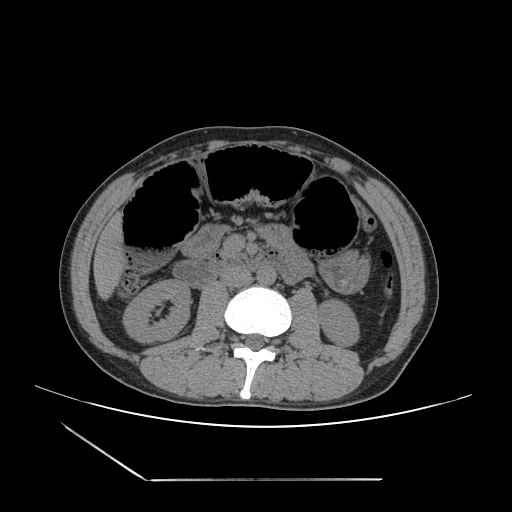 Abdominal CT; axial view; W/L 400/40 HU
{"organs":{"inferior vena cava":[220,267,251,287],"aorta":[256,265,276,285],"left kidney":[318,300,358,346],"stomach":[320,250,367,292],"right kidney":[123,279,190,342],"pancreas":[227,255,233,256],"duodenum":[173,249,303,287],"liver":[93,212,124,299]}}